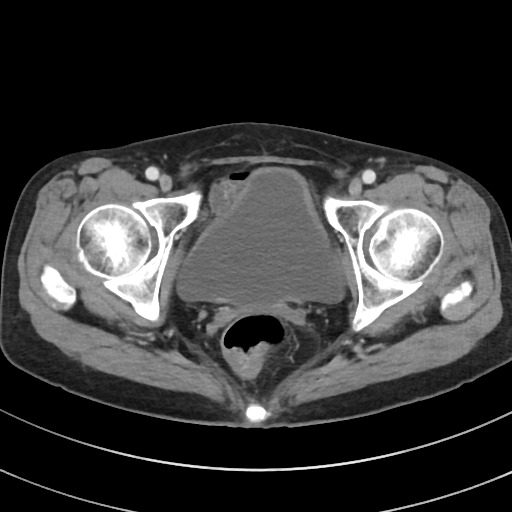 CT abdomen. Axial slice 9/84
<organs><organ name="bladder" x1="177" y1="168" x2="343" y2="307"/></organs>